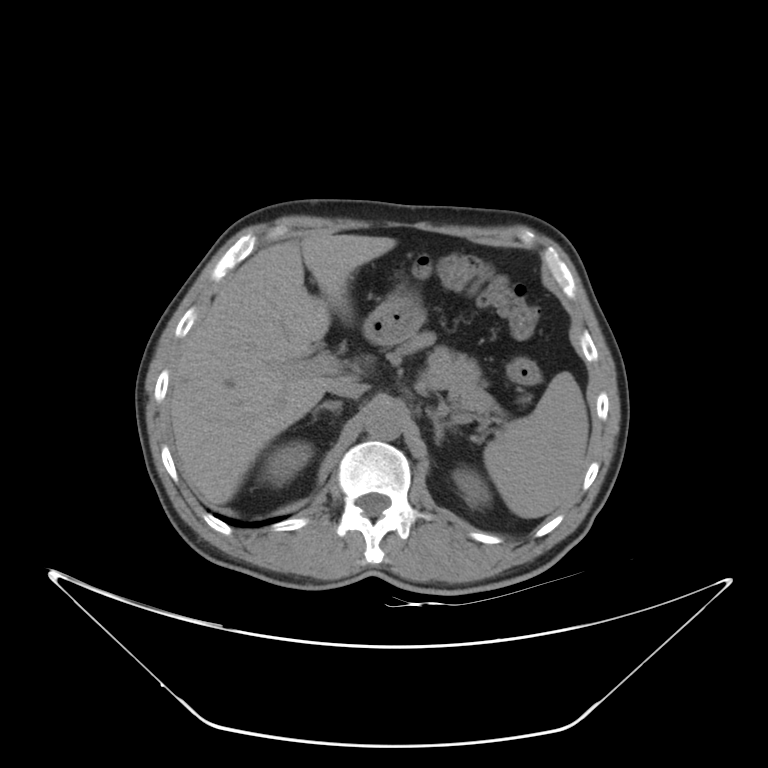
Abdominal CT; axial view; soft-tissue window (W 400 / L 40); scan has 15 labeled organs (counted over the whole 3D scan, not this slice; an organ is boxed only where this slice passes through it)
{"organs":{"spleen":[483,371,588,518],"right kidney":[268,443,311,480],"left kidney":[453,466,491,506],"liver":[170,232,396,504],"stomach":[362,286,425,344],"aorta":[365,402,404,440],"inferior vena cava":[327,378,366,398],"pancreas":[398,331,497,415],"right adrenal gland":[312,401,342,412],"left adrenal gland":[426,408,445,445]}}